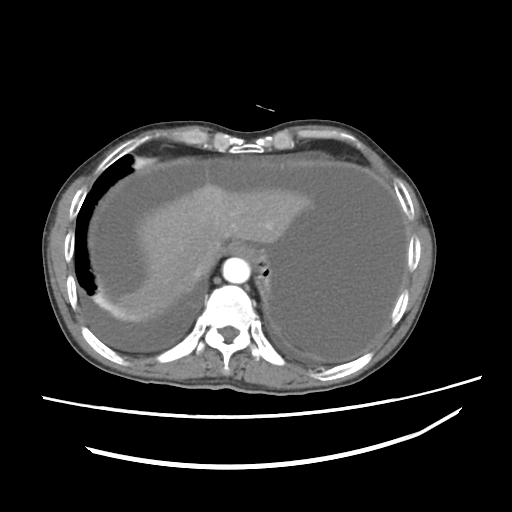 Computed tomography, abdomen; Axial slice 91/103; W/L 400/40 HU; 512x512 px; 15 organs annotated in this scan (that count is for the whole scan; organs this slice misses have no box)
{"organs":{"stomach":[247,247,270,290],"liver":[106,183,310,312],"esophagus":[226,242,248,256],"inferior vena cava":[189,265,202,281],"aorta":[222,257,250,283]}}